CT abdomen; axial view; W/L 400/40 HU; 14 organs annotated in this scan (counted over the whole 3D scan, not this slice; an organ is boxed only where this slice passes through it)
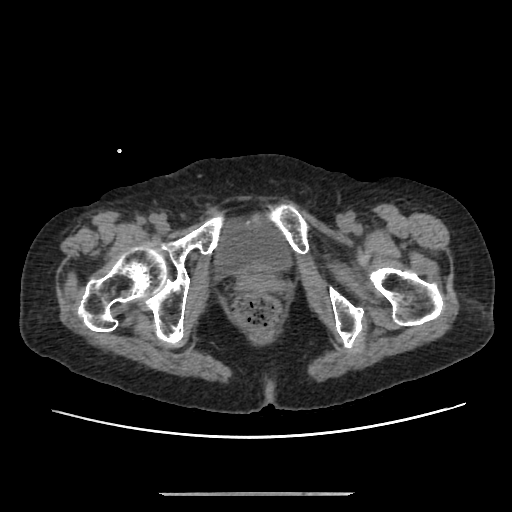

{"organs":{"bladder":[216,224,290,274]}}